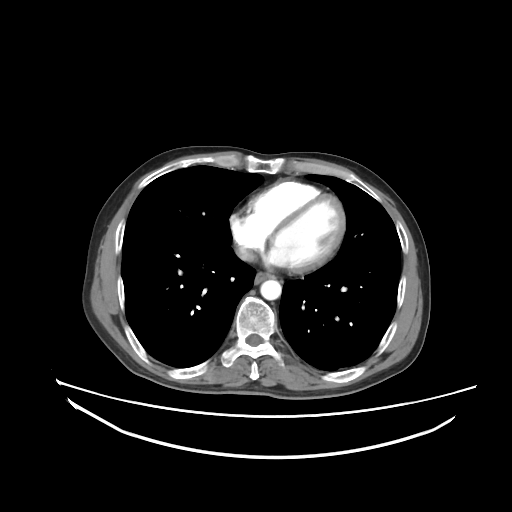 Lower-chest slice from an abdominal CT, just above the liver and spleen; axial view; 512x512 px
Of the structures in the chest, this dataset labels only the esophagus, the aorta and the inferior vena cava; the heart and lungs have no label. Each box given as x1,y1,x2,y2. The annotated organs in this slice are: inferior vena cava at x1=236, y1=246, x2=254, y2=260, aorta at x1=260, y1=280, x2=281, y2=299, esophagus at x1=254, y1=272, x2=273, y2=283.